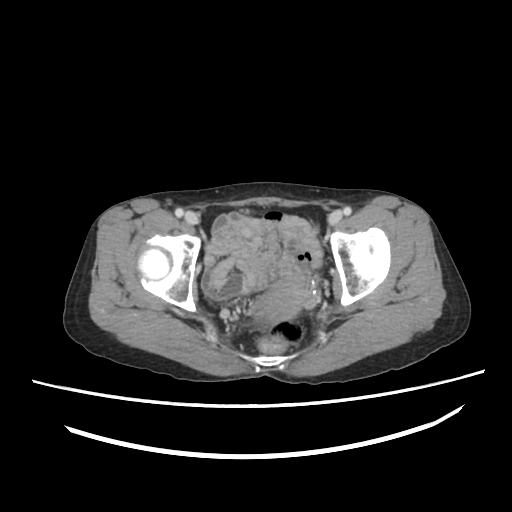
Abdominal CT; Axial slice 16/78; 512x512 px; 68-year-old female patient; 15 organs annotated in this scan (that count is for the whole scan; organs this slice misses have no box)
Each box given as x1,y1,x2,y2. Labeled organs on this slice: prostate/uterus at x1=258, y1=281, x2=300, y2=320.